CT abdomen · axial view · soft-tissue window (W 400 / L 40) · 512x512 px · 58-year-old female patient · scan has 15 labeled organs (counted over the whole 3D scan, not this slice; an organ is boxed only where this slice passes through it)
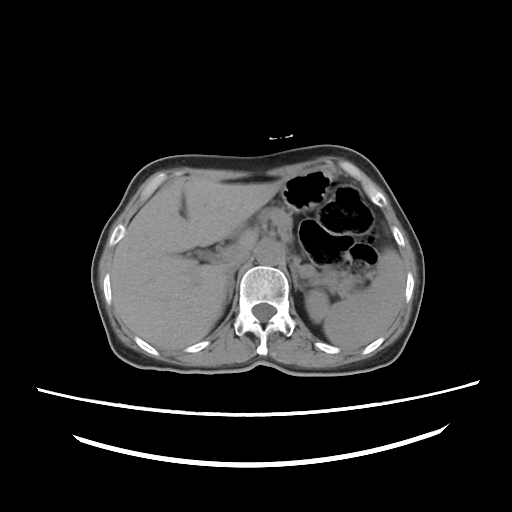

{"organs":{"spleen":[305,249,405,348],"liver":[111,178,281,349],"stomach":[281,170,355,294],"aorta":[255,241,283,265],"inferior vena cava":[225,253,248,274],"pancreas":[258,206,339,289],"right adrenal gland":[224,273,234,305],"left adrenal gland":[291,264,299,289]}}